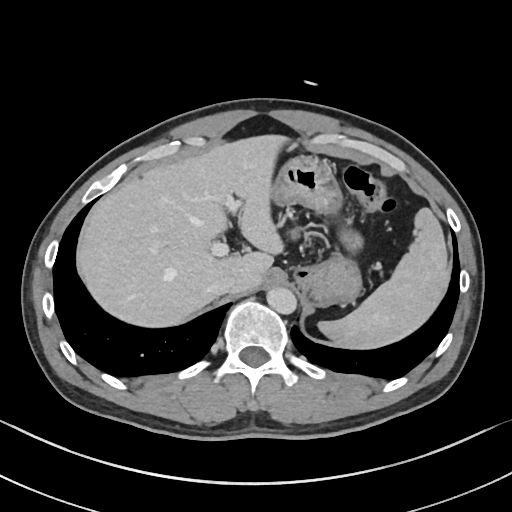

Computed tomography, abdomen. axial view. soft-tissue window. 512x512 px. 15 organs annotated in this scan (a whole-scan count: organs this slice does not pass through have no box)
Box edges are left/top/right/bottom in pixels.
Organ bounding boxes:
- stomach: left=270, top=154, right=359, bottom=306
- liver: left=75, top=136, right=289, bottom=329
- pancreas: left=289, top=227, right=304, bottom=237
- aorta: left=266, top=287, right=296, bottom=313
- inferior vena cava: left=208, top=277, right=237, bottom=295
- spleen: left=317, top=208, right=451, bottom=350